Computed tomography, abdomen; axial view; W/L 400/40 HU; 15 organs annotated in this scan (counted over the whole 3D scan, not this slice; an organ is boxed only where this slice passes through it)
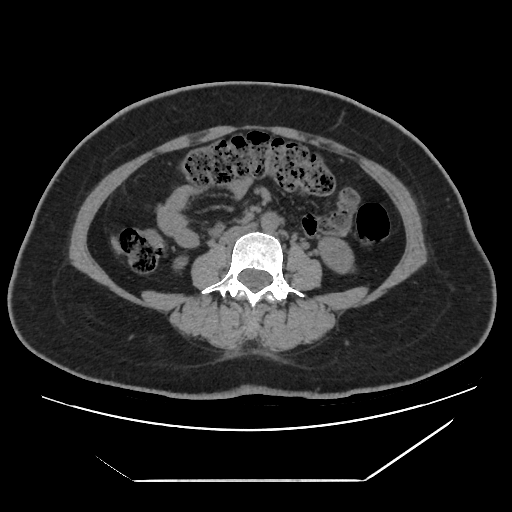
Coordinates as <box>x1,y1,x2,y2</box> in pixels. Labeled organs on this slice: right kidney at <box>173,256,187,270</box>, left kidney at <box>319,237,353,273</box>, liver at <box>113,240,118,248</box>, aorta at <box>261,212,279,232</box>, inferior vena cava at <box>220,225,252,243</box>.